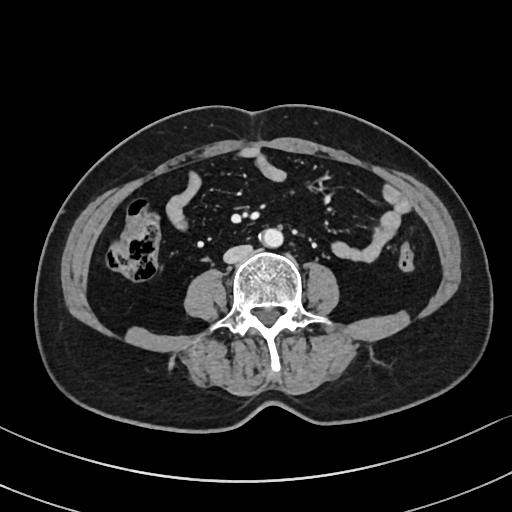

CT, abdomen/pelvis; axial view; soft-tissue window (W 400 / L 40)
Box edges are left/top/right/bottom in pixels. The annotated organs in this slice are: aorta at left=259, top=228, right=283, bottom=247, inferior vena cava at left=223, top=245, right=252, bottom=263.